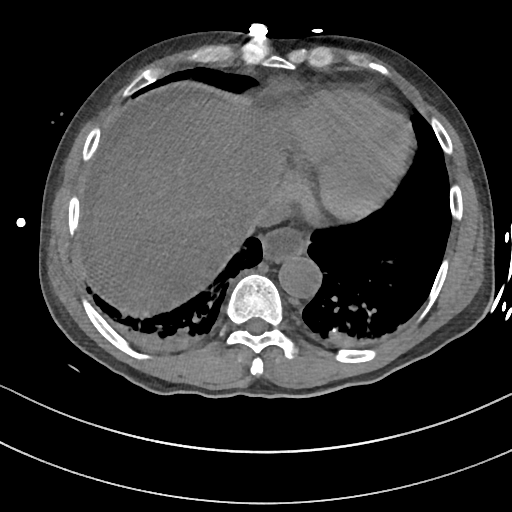

CT abdomen — Axial slice 222/252 — scan has 15 labeled organs (counted over the whole 3D scan, not this slice; an organ is boxed only where this slice passes through it)
Each box given as x1,y1,x2,y2.
esophagus: x1=261, y1=227, x2=304, y2=261
liver: x1=93, y1=99, x2=283, y2=317
aorta: x1=278, y1=253, x2=321, y2=297
inferior vena cava: x1=235, y1=196, x2=285, y2=238